CT, abdomen/pelvis — Axial slice 43/74 — abdomen soft-tissue window — 39-year-old male patient — 15 organs annotated in this scan (that count is for the whole scan; organs this slice misses have no box)
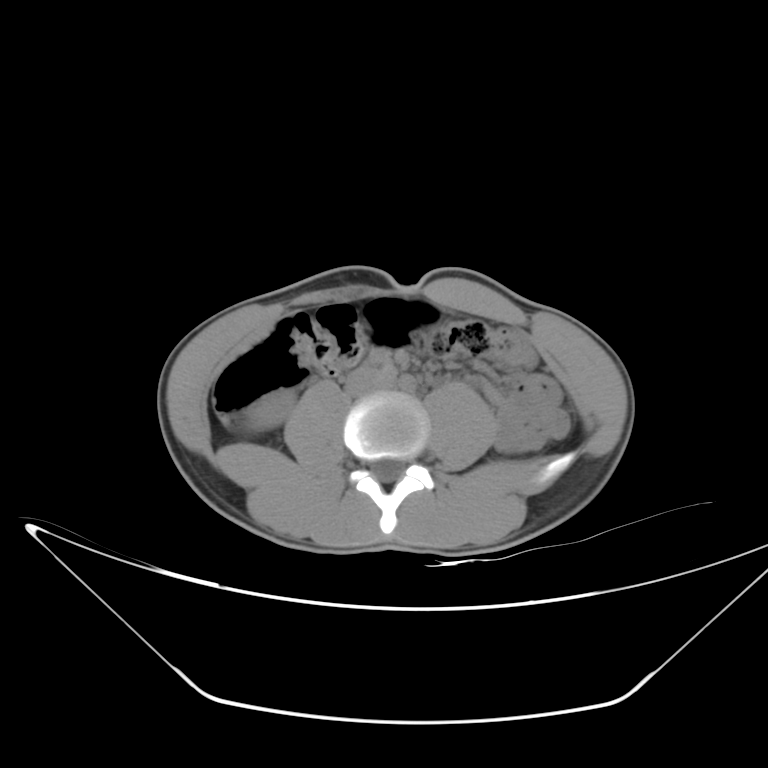
Boxes are (x1, y1, x2, y2) in pixels.
Organ bounding boxes:
- inferior vena cava: (344, 368, 383, 396)
- right kidney: (246, 388, 295, 430)
- liver: (239, 322, 273, 351)